Abdominal CT · Axial slice 87/112 · 512x512 px · 39-year-old female patient · Aquilion ONE scanner · 15 organs annotated in this scan (counted over the whole 3D scan, not this slice; an organ is boxed only where this slice passes through it)
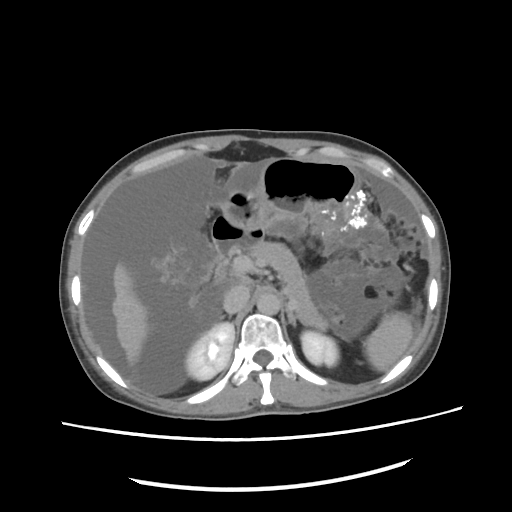 Boxes: x1 y1 x2 y2 (pixel coords, space-separated).
Organ bounding boxes:
- spleen: 364 315 413 371
- right kidney: 187 323 234 379
- left kidney: 301 330 338 366
- liver: 110 259 148 367
- stomach: 222 156 364 238
- aorta: 255 292 280 317
- inferior vena cava: 224 285 249 313
- pancreas: 247 241 328 329
- right adrenal gland: 218 313 233 320
- left adrenal gland: 287 307 298 325
- duodenum: 209 211 248 285